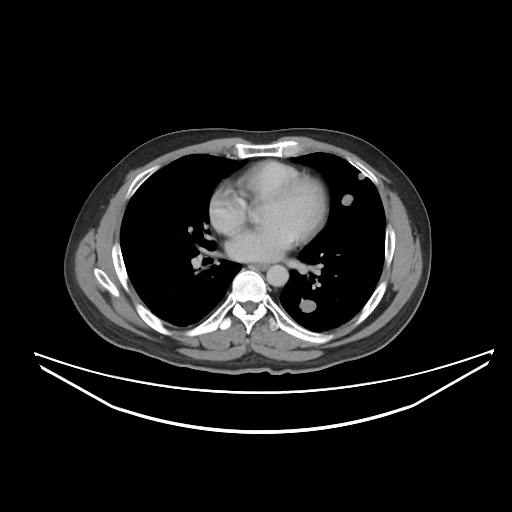
Abdominal CT; this slice is in the lower chest, just above the liver — axial view — 15 organs annotated in this scan (a whole-scan count: organs this slice does not pass through have no box)
No part of the heart or lungs is labeled in this dataset, so neither has a box here.
Organ boxes in pixel coordinates; each row gives the top-left (x1, y1) and bottom-right (x2, y2) corners.
| organ | x1 | y1 | x2 | y2 |
|---|---|---|---|---|
| esophagus | 252 | 263 | 268 | 270 |
| aorta | 266 | 265 | 288 | 286 |